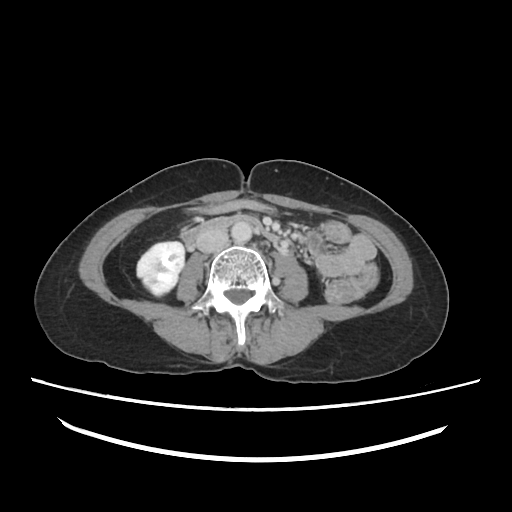

Computed tomography, abdomen · axial plane, index 44 · 512x512 px
<organs><organ name="right kidney" x1="136" y1="242" x2="185" y2="295"/><organ name="stomach" x1="193" y1="200" x2="273" y2="213"/><organ name="aorta" x1="231" y1="222" x2="252" y2="242"/><organ name="inferior vena cava" x1="195" y1="229" x2="229" y2="253"/><organ name="duodenum" x1="180" y1="214" x2="278" y2="246"/></organs>